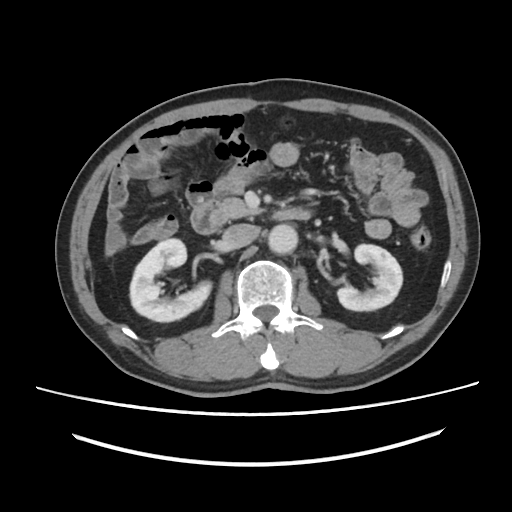

CT, abdomen/pelvis. axial plane, index 58. 58-year-old male patient
Boxes: x1 y1 x2 y2 (pixel coords, space-separated).
Organ bounding boxes:
- right kidney: 130 238 211 321
- left kidney: 337 244 402 310
- aorta: 268 224 297 254
- inferior vena cava: 222 223 259 248
- pancreas: 218 198 262 218
- duodenum: 191 201 311 234